CT abdomen · axial plane, index 108 · soft-tissue window (W 400 / L 40) · 512x512 px · scan has 15 labeled organs (that count is for the whole scan; organs this slice misses have no box)
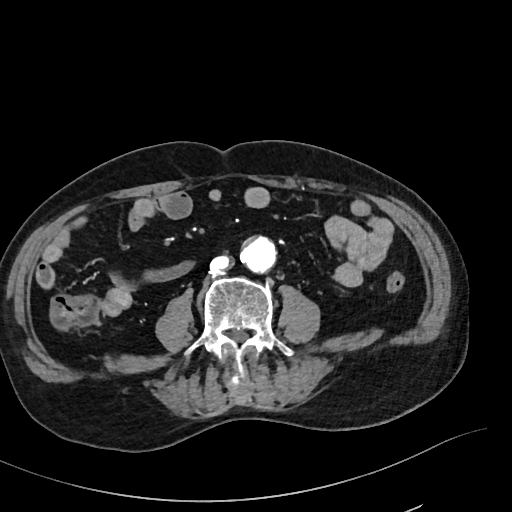

<organs><organ name="aorta" x1="240" y1="237" x2="276" y2="272"/><organ name="inferior vena cava" x1="208" y1="255" x2="230" y2="274"/></organs>